Computed tomography, abdomen — Axial slice 81/104 — scan has 15 labeled organs (a whole-scan count: organs this slice does not pass through have no box)
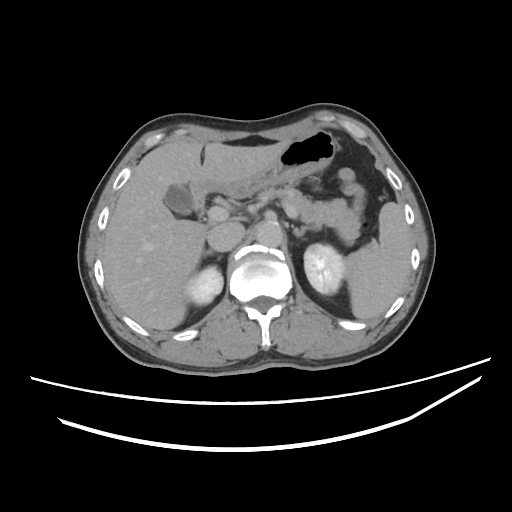

Box edges are left/top/right/bottom in pixels. 12 labeled organs on this slice — spleen at left=344, top=202, right=410, bottom=320; right kidney at left=180, top=266, right=224, bottom=307; left kidney at left=305, top=243, right=343, bottom=293; gall bladder at left=163, top=184, right=195, bottom=214; liver at left=102, top=138, right=291, bottom=331; stomach at left=188, top=129, right=335, bottom=197; aorta at left=254, top=220, right=282, bottom=246; inferior vena cava at left=207, top=221, right=244, bottom=251; pancreas at left=262, top=184, right=360, bottom=245; right adrenal gland at left=204, top=248, right=224, bottom=263; left adrenal gland at left=290, top=223, right=317, bottom=237; duodenum at left=193, top=191, right=204, bottom=218.